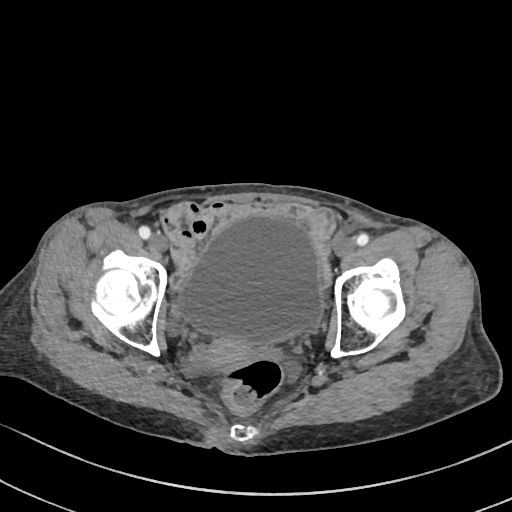 CT abdomen — Axial slice 65/236 — abdomen soft-tissue window — 512x512 px — scan has 15 labeled organs (that count is for the whole scan; organs this slice misses have no box)
<organs><organ name="bladder" x1="177" y1="213" x2="323" y2="343"/><organ name="prostate/uterus" x1="197" y1="336" x2="258" y2="370"/></organs>